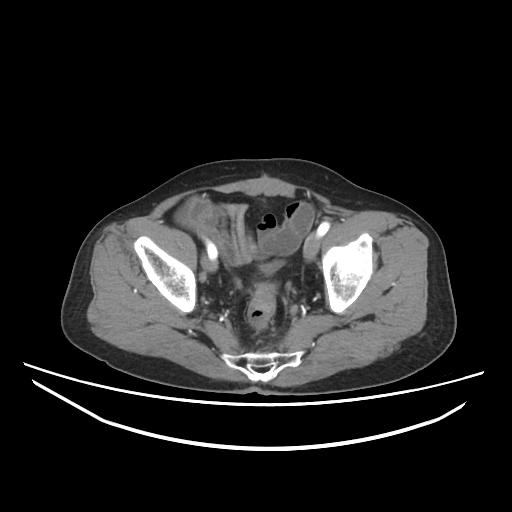
Computed tomography, abdomen. axial plane, index 23. W/L 400/40 HU
Boxes: x1:y1:x2:y2 in pixels. Labeled organs on this slice: bladder at 260:262:283:272.